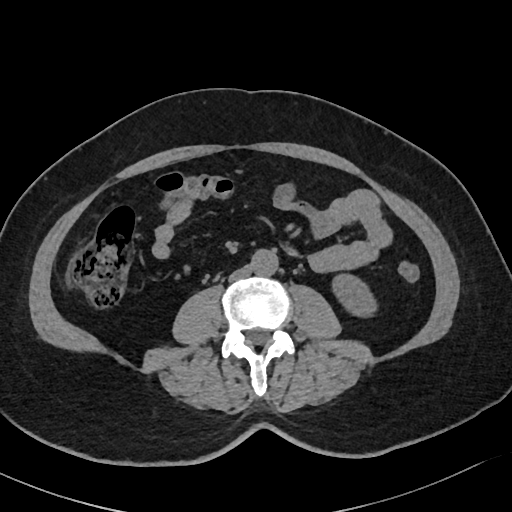

Computed tomography, abdomen; axial view; 512x512 px
Bounding boxes as [x1, y1, x2, y2] in pixel coordinates.
Organ bounding boxes:
- left kidney: [331, 275, 375, 315]
- aorta: [251, 249, 278, 275]
- inferior vena cava: [228, 266, 252, 282]